CT abdomen · Axial slice 166/173 · 512x512 px
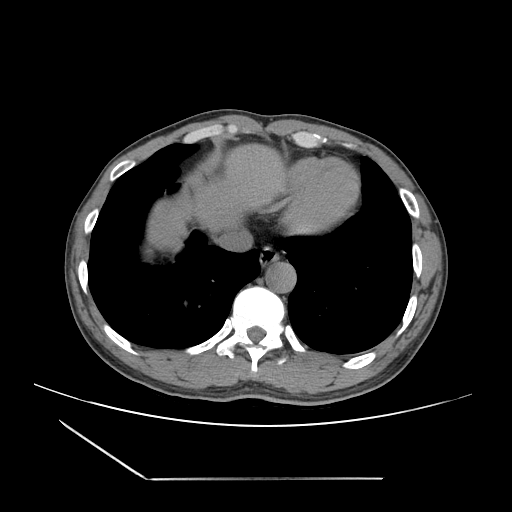

{"organs":{"esophagus":[259,246,279,266],"liver":[147,143,286,251],"aorta":[265,262,296,293],"inferior vena cava":[216,227,253,251]}}